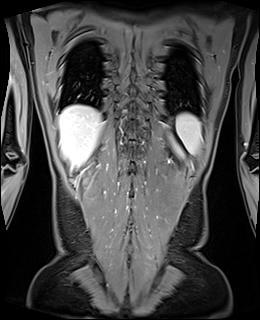
Abdominal MRI — coronal acquisition — 260x320 px
Boxes: x1 y1 x2 y2 (pixel coords, space-separated).
spleen: 176 113 201 154
left kidney: 176 147 180 153
liver: 59 105 103 168